Abdominal CT reaching into the chest; this slice is in the chest; axial plane, index 233; 512x512 px
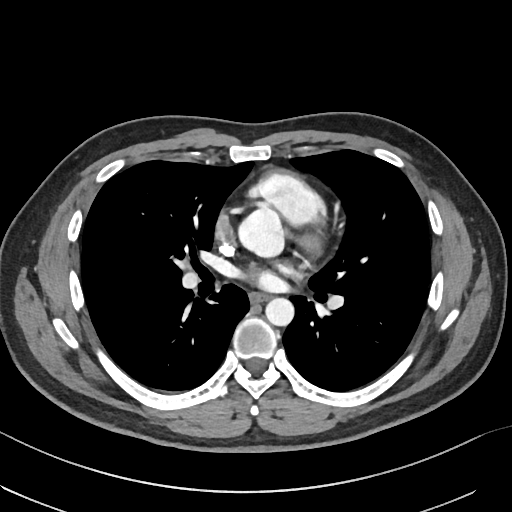

At this level of the chest no structure but the esophagus and the aorta has a label in this dataset, and those two are boxed only where they are labeled. Each box given as x1,y1,x2,y2. 2 labeled organs on this slice — esophagus at x1=249, y1=292, x2=268, y2=302; aorta at x1=239, y1=207, x2=283, y2=256; aorta at x1=265, y1=297, x2=294, y2=326.